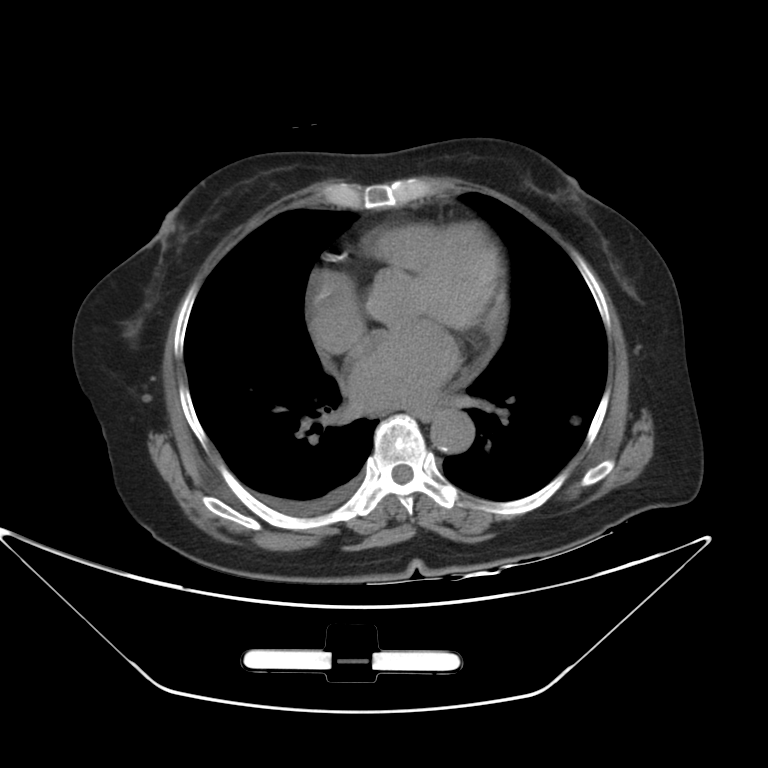
Lower-chest slice from an abdominal CT, just above the liver and spleen · axial plane, index 93 · W/L 400/40 HU · 768x768 px · acquired on Brilliance16
No part of the heart or lungs is labeled in this dataset, so neither has a box here.
{"organs":{"aorta":[430,410,475,453],"esophagus":[415,408,436,419]}}